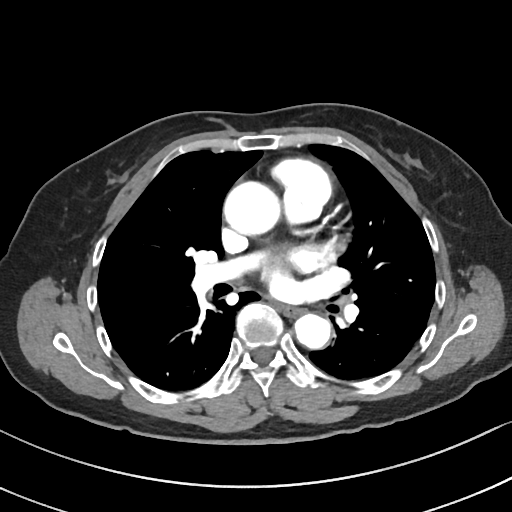
CT of the abdomen reaching into the lower chest, slice just above the liver and spleen. axial plane, index 232. soft-tissue window, W/L 400/40. 512x512 px
No part of the heart or lungs is labeled in this dataset, so neither has a box here.
Each box given as x1,y1,x2,y2.
Organ bounding boxes:
- aorta: x1=224, y1=181, x2=280, y2=235
- aorta: x1=294, y1=313, x2=330, y2=349
- esophagus: x1=279, y1=305, x2=302, y2=316